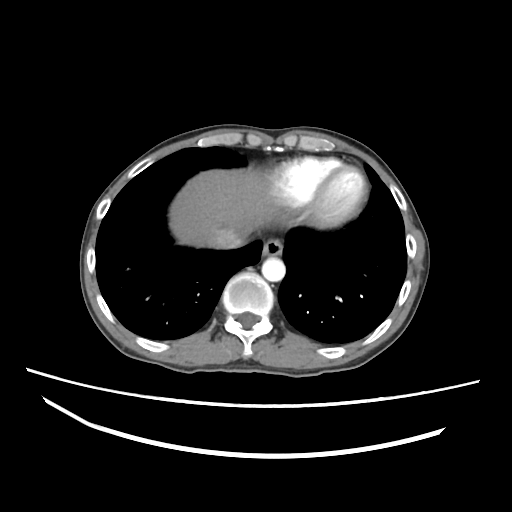
Abdominal CT · Axial slice 93/140 · soft-tissue window · 512x512 px
<organs><organ name="esophagus" x1="262" y1="238" x2="282" y2="256"/><organ name="liver" x1="169" y1="169" x2="271" y2="247"/><organ name="aorta" x1="261" y1="257" x2="285" y2="281"/><organ name="inferior vena cava" x1="208" y1="228" x2="245" y2="249"/></organs>